CT abdomen — axial view — 512x512 px — 15 organs annotated in this scan (counted over the whole 3D scan, not this slice; an organ is boxed only where this slice passes through it)
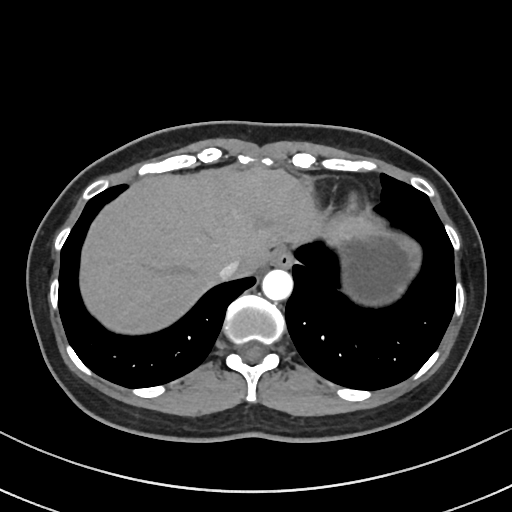

Boxes: x1:y1:x2:y2 in pixels. Labeled organs on this slice: esophagus at 269:247:293:268, liver at 80:167:374:333, stomach at 338:228:419:305, aorta at 262:269:292:300, inferior vena cava at 218:258:241:279.